Abdominal CT · Axial slice 49/93 · 768x768 px · 15 organs annotated in this scan (counted over the whole 3D scan, not this slice; an organ is boxed only where this slice passes through it)
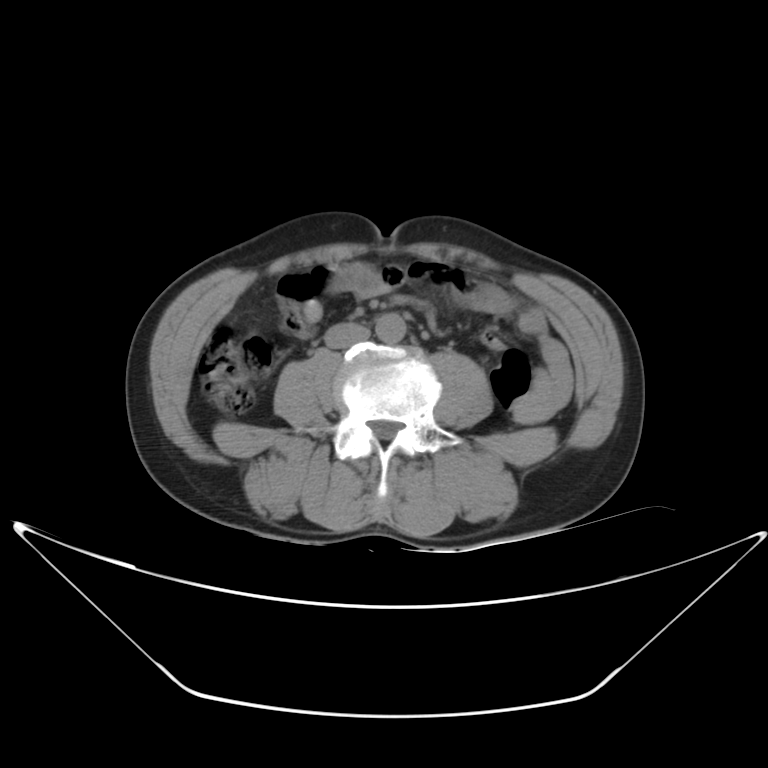 Box edges are left/top/right/bottom in pixels.
Organ bounding boxes:
- aorta: left=374, top=313, right=405, bottom=345
- inferior vena cava: left=325, top=324, right=369, bottom=350